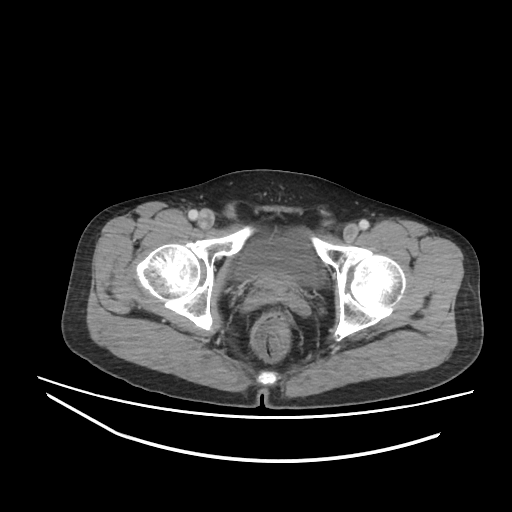

CT abdomen · axial view · 512x512 px
{"organs":{"bladder":[238,231,319,284],"prostate/uterus":[257,275,292,296]}}